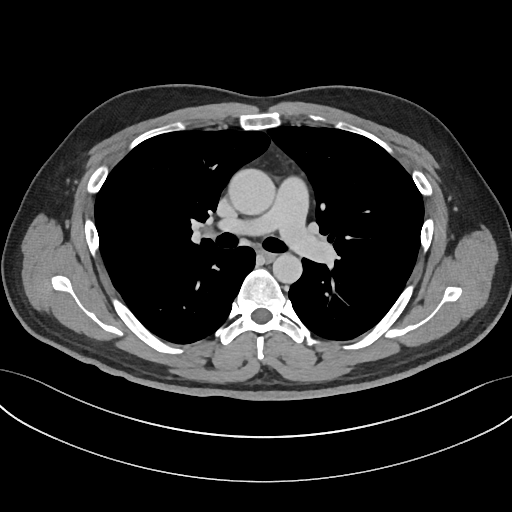
Abdominal CT reaching into the chest; this slice is in the chest; axial plane, index 285; soft-tissue window (W 400 / L 40); 512x512 px
On a slice this high in the chest, this dataset labels only the esophagus and the aorta, and each is boxed only where it is labeled; the heart, lungs and other chest structures are not labeled. Each box given as x1,y1,x2,y2. 2 labeled organs on this slice — esophagus at x1=262, y1=251, x2=275, y2=260; aorta at x1=228, y1=169, x2=275, y2=215; aorta at x1=272, y1=253, x2=302, y2=283.